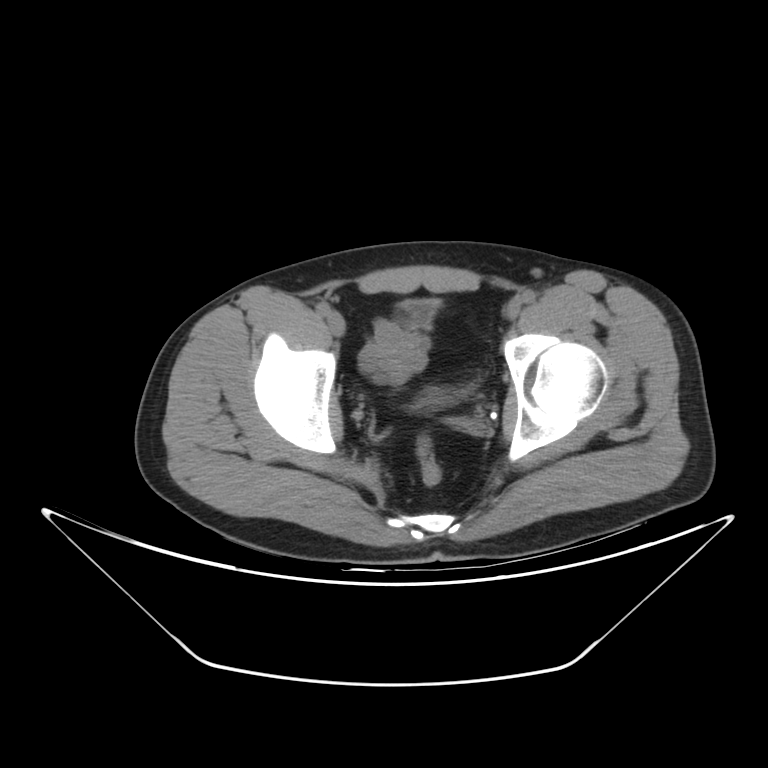
Abdominal CT · axial view · soft-tissue window (W 400 / L 40)
Each box given as x1,y1,x2,y2.
Organ bounding boxes:
- bladder: x1=401, y1=297, x2=467, y2=409